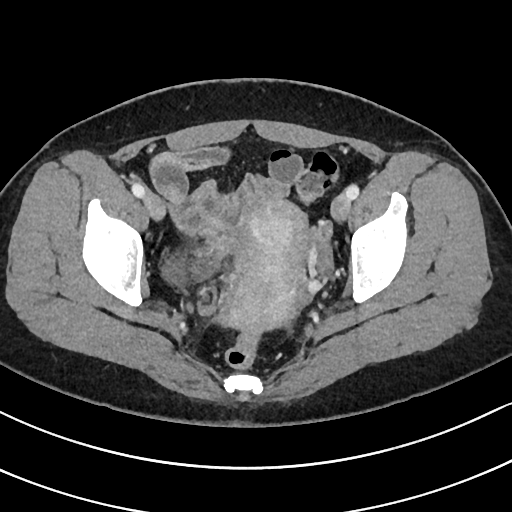
CT abdomen — axial view — 512x512 px — SOMATOM Force scanner
Boxes: x1:y1:x2:y2 in pixels. The annotated organs in this slice are: bladder at 160:253:186:285, prostate/uterus at 217:196:310:335.